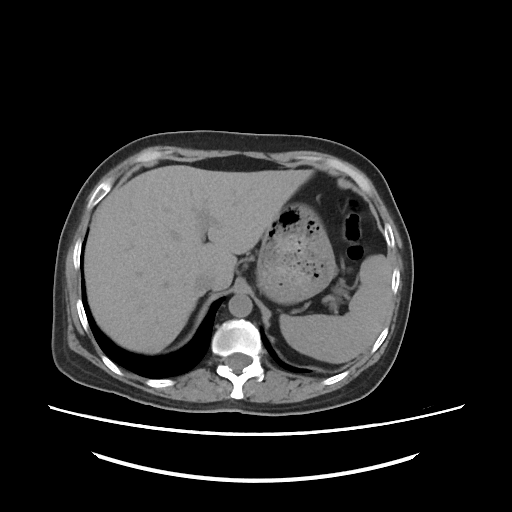 Computed tomography, abdomen; axial view; abdomen soft-tissue window; scan has 15 labeled organs (a whole-scan count: organs this slice does not pass through have no box)
Bounding boxes in pixels, one row per box: x1, y1 is the top-left corner and x2, y2 the bottom-right.
| organ | x1 | y1 | x2 | y2 |
|---|---|---|---|---|
| spleen | 279 | 254 | 390 | 364 |
| liver | 83 | 165 | 312 | 353 |
| stomach | 256 | 203 | 335 | 303 |
| aorta | 227 | 294 | 253 | 317 |
| inferior vena cava | 196 | 275 | 215 | 291 |